CT abdomen. axial view. abdomen soft-tissue window. 512x512 px
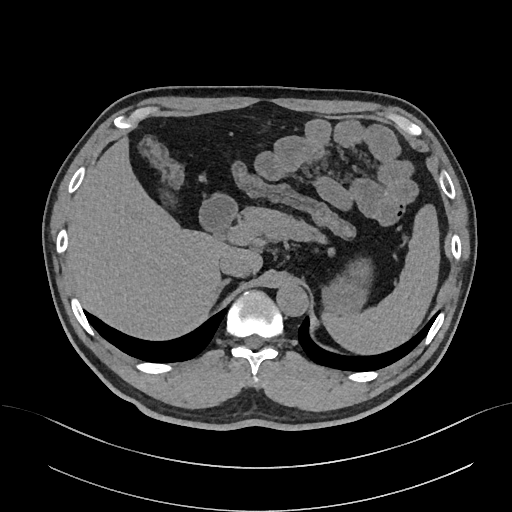 Bounding boxes as [x1, y1, x2, y2] in pixel coordinates. The annotated organs in this slice are: duodenum at [199, 194, 237, 233], liver at [67, 136, 262, 340], spleen at [322, 204, 440, 354], pancreas at [238, 206, 325, 241], stomach at [322, 258, 372, 315], aorta at [276, 282, 308, 316], right adrenal gland at [216, 278, 231, 297], inferior vena cava at [219, 250, 251, 277].